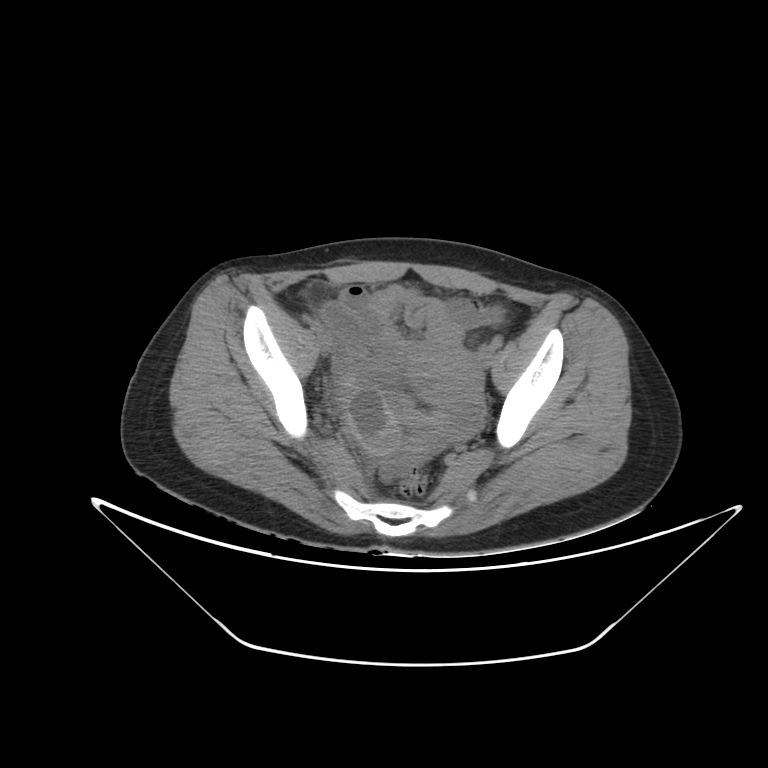 Computed tomography, abdomen; axial view
{"organs":{"prostate/uterus":[405,339,480,411]}}